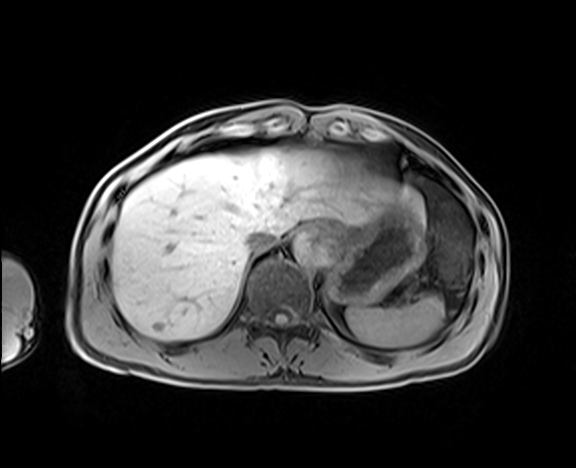

Abdominal MRI; axial view; percentile-normalized
Coordinates as <box>x1,y1,x2,y2</box> in pixels.
spleen: <box>345,295,444,347</box>
esophagus: <box>308,225,324,237</box>
liver: <box>111,148,424,340</box>
stomach: <box>324,201,424,305</box>
aorta: <box>293,234,329,266</box>
inferior vena cava: <box>247,229,276,251</box>